Computed tomography, abdomen. axial view. W/L 400/40 HU. 15 organs annotated in this scan (a whole-scan count: organs this slice does not pass through have no box)
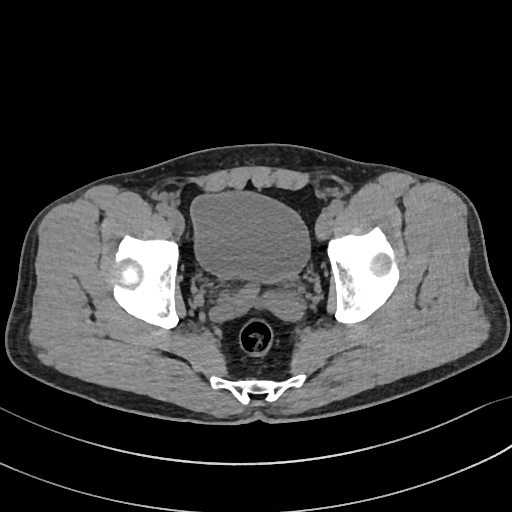

Boxes: x1 y1 x2 y2 (pixel coords, space-separated). Labeled organs on this slice: bladder at 191 192 310 281.